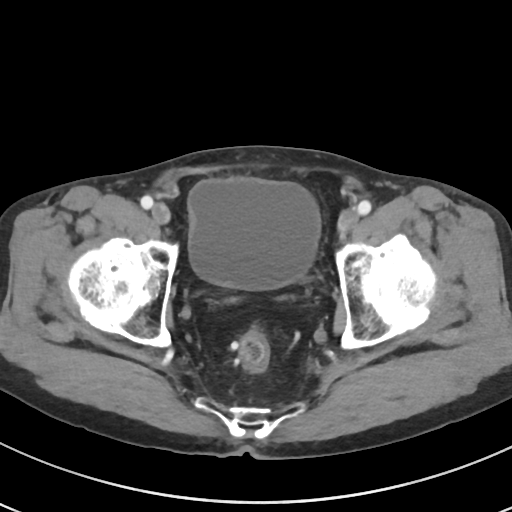
Computed tomography, abdomen. axial view. acquired on SOMATOM Force
Organ boxes in pixel coordinates; each row gives the top-left (x1, y1) and bottom-right (x2, y2) corners.
| organ | x1 | y1 | x2 | y2 |
|---|---|---|---|---|
| bladder | 188 | 178 | 320 | 289 |